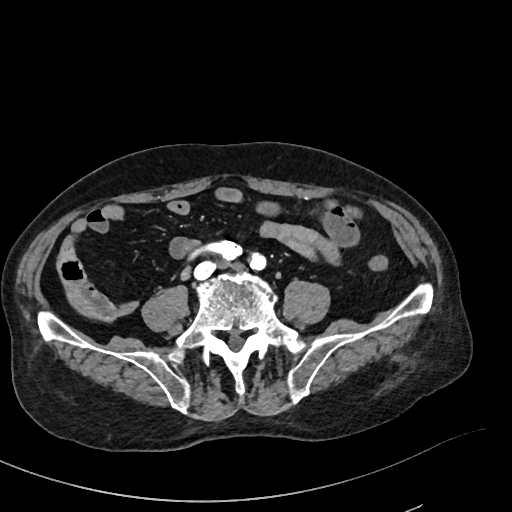

Computed tomography, abdomen — axial plane, index 90 — 512x512 px
One row per box, in pixels: columns x1 and y1 give the top-left corner, x2 and y2 the bottom-right.
| organ | x1 | y1 | x2 | y2 |
|---|---|---|---|---|
| aorta | 256 | 492 | 295 | 511 |